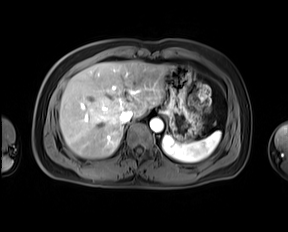 Abdominal MR. axial view. 288x232 px
{"organs":{"stomach":[163,65,201,140],"spleen":[161,131,221,162],"inferior vena cava":[120,110,132,123],"aorta":[149,117,163,132],"liver":[59,61,169,158]}}